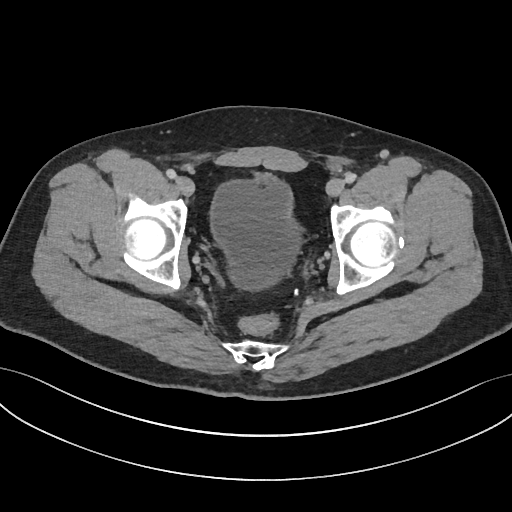 Computed tomography, abdomen. axial view. SOMATOM Force scanner
Bounding boxes as [x1, y1, x2, y2] in pixel coordinates. 1 labeled organ on this slice — bladder at [211, 173, 300, 289].